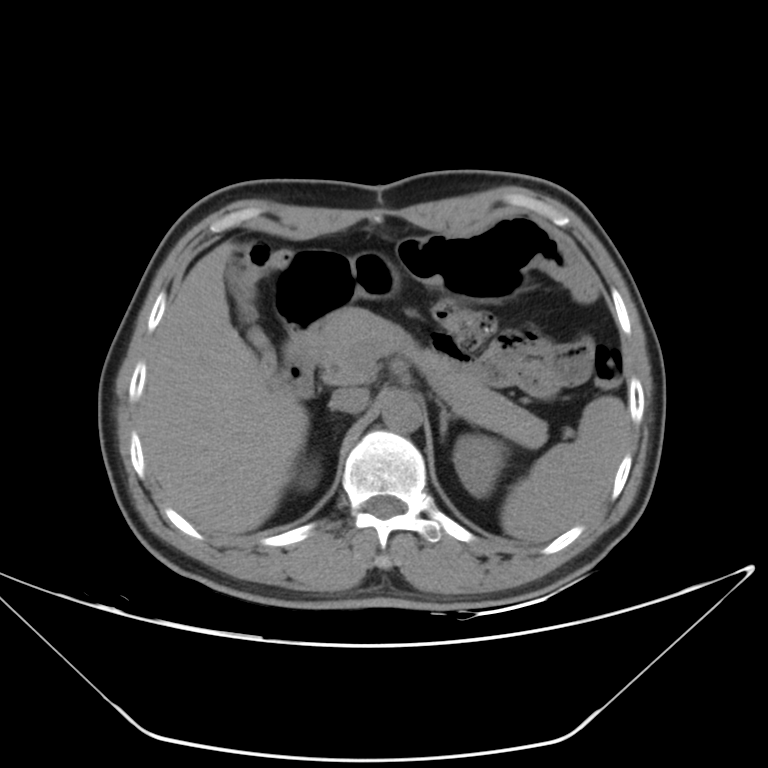 CT, abdomen/pelvis; axial view; 768x768 px; Brilliance16 scanner
Each box given as x1,y1,x2,y2.
Organ bounding boxes:
- spleen: x1=500, y1=396, x2=628, y2=541
- right kidney: x1=295, y1=460, x2=318, y2=491
- left kidney: x1=453, y1=434, x2=507, y2=497
- gall bladder: x1=225, y1=265, x2=253, y2=305
- liver: x1=139, y1=242, x2=308, y2=536
- stomach: x1=275, y1=231, x2=526, y2=330
- aorta: x1=381, y1=391, x2=422, y2=432
- inferior vena cava: x1=329, y1=388, x2=368, y2=413
- pancreas: x1=315, y1=307, x2=547, y2=447
- left adrenal gland: x1=439, y1=403, x2=457, y2=438
- duodenum: x1=273, y1=326, x2=319, y2=398